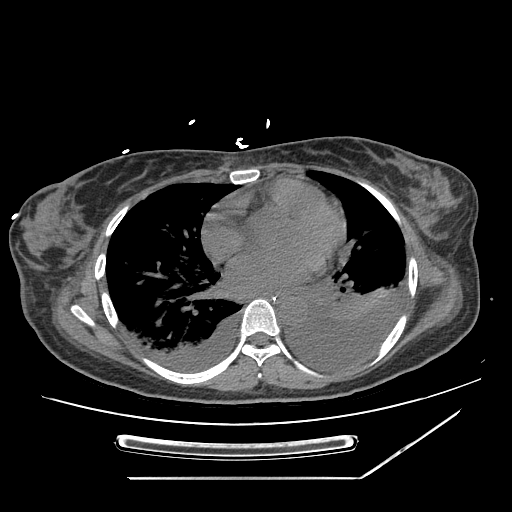

CT, abdomen/pelvis — axial view — W/L 400/40 HU
Bounding boxes as [x1, y1, x2, y2] in pixel coordinates.
stomach: [279, 300, 285, 303]
esophagus: [261, 291, 297, 302]
aorta: [278, 297, 307, 324]